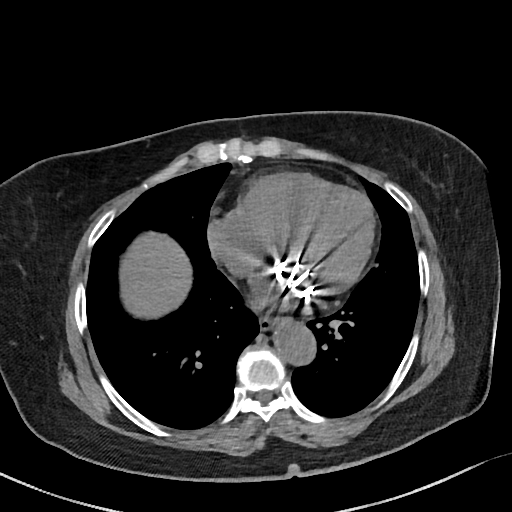 CT abdomen; axial view; soft-tissue window; 512x512 px; SOMATOM Force scanner
{"organs":{"esophagus":[258,312,277,328],"liver":[119,232,192,318],"aorta":[272,315,314,362],"inferior vena cava":[224,248,261,274]}}